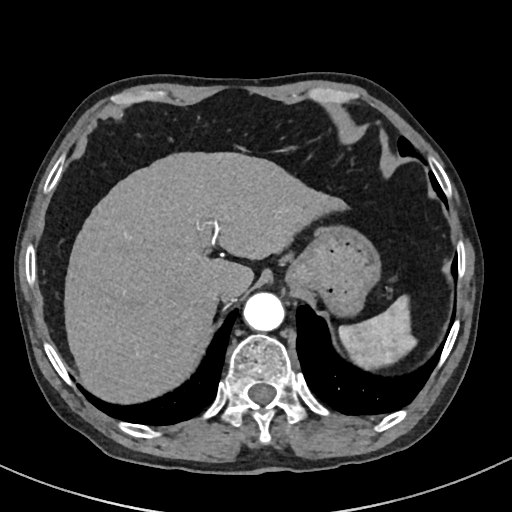

Abdominal CT; axial view; soft-tissue window (W 400 / L 40)
Boxes: x1:y1:x2:y2 in pixels.
Organ bounding boxes:
- spleen: 338:295:416:369
- liver: 64:152:345:403
- stomach: 286:224:380:316
- aorta: 243:292:284:331
- inferior vena cava: 208:281:226:300